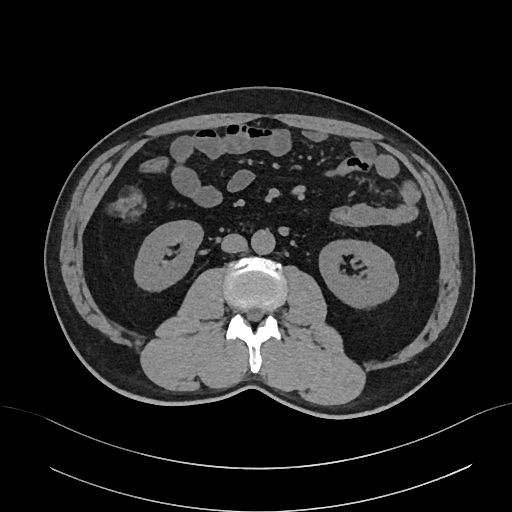 Abdominal CT. Axial slice 148/265. soft-tissue window
Boxes are (x1, y1, x2, y2) in pixels.
right kidney: (133, 220, 202, 292)
left kidney: (320, 241, 399, 308)
aorta: (251, 230, 275, 255)
inferior vena cava: (221, 233, 247, 252)